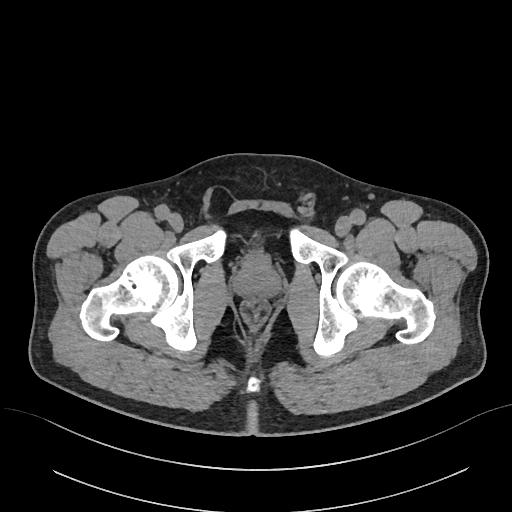

CT abdomen · axial view · scan has 15 labeled organs (counted over the whole 3D scan, not this slice; an organ is boxed only where this slice passes through it)
Organ boxes in pixel coordinates; each row gives the top-left (x1, y1) and bottom-right (x2, y2) corners.
| organ | x1 | y1 | x2 | y2 |
|---|---|---|---|---|
| prostate/uterus | 234 | 261 | 280 | 297 |
| bladder | 242 | 250 | 269 | 260 |